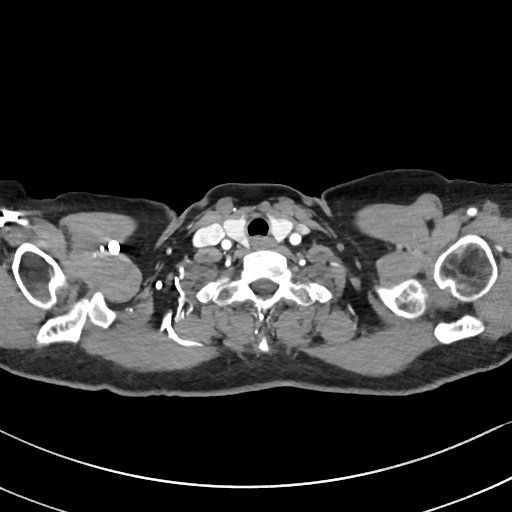

Chest-level CT slice, above the liver and spleen; axial plane, index 289; soft-tissue window (W 400 / L 40)
On a slice this high in the chest, this dataset labels only the esophagus and the aorta, and each is boxed only where it is labeled; the heart, lungs and other chest structures are not labeled.
{"organs":{"esophagus":[254,237,274,249]}}